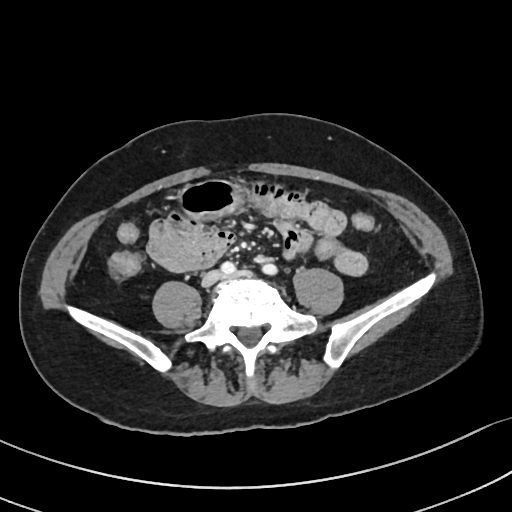

Computed tomography, abdomen; axial view
Each box given as x1,y1,x2,y2.
stomach: x1=180, y1=181, x2=238, y2=216